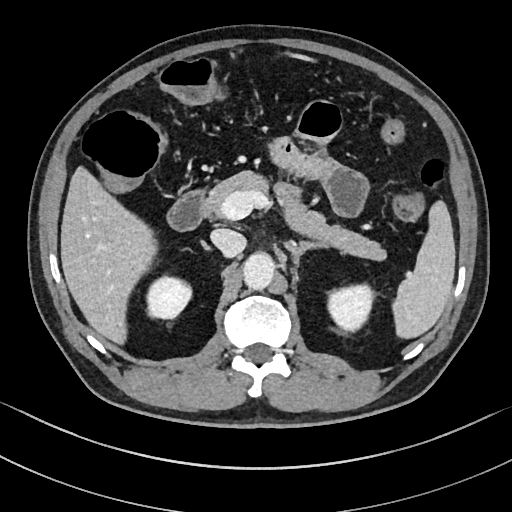

Computed tomography, abdomen — axial plane, index 159 — soft-tissue window — SOMATOM Force scanner
{"organs":{"left adrenal gland":[285,241,325,267],"pancreas":[202,172,386,259],"aorta":[243,249,275,288],"spleen":[392,201,455,338],"left kidney":[327,285,373,331],"liver":[61,168,156,343],"inferior vena cava":[210,229,246,258],"right kidney":[147,277,192,319],"duodenum":[165,192,204,232]}}